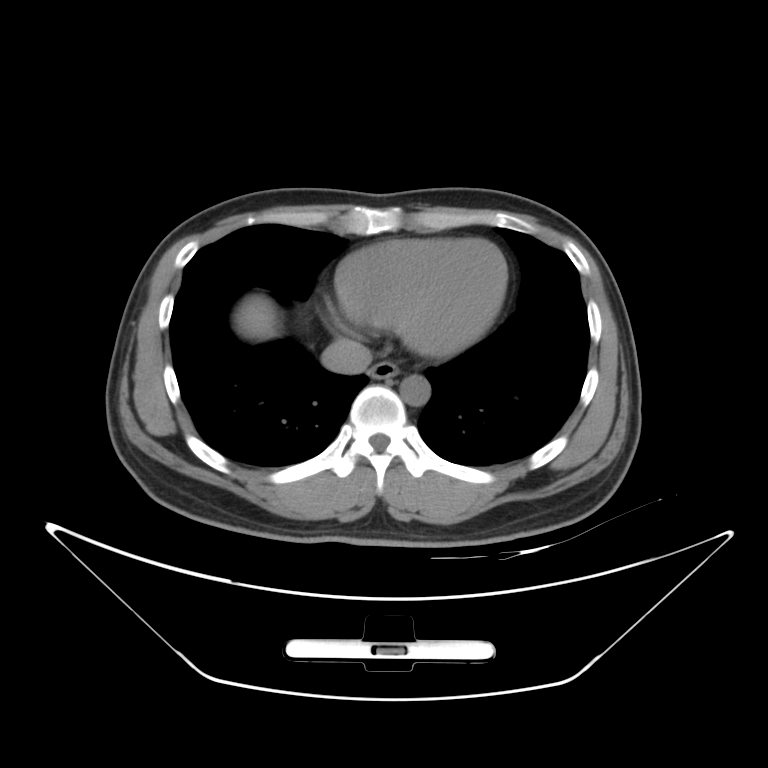 Abdominal CT · axial plane, index 95 · 25-year-old male patient
{"organs":{"esophagus":[368,360,399,380],"inferior vena cava":[321,338,372,373],"aorta":[400,374,430,406],"liver":[236,297,276,340]}}